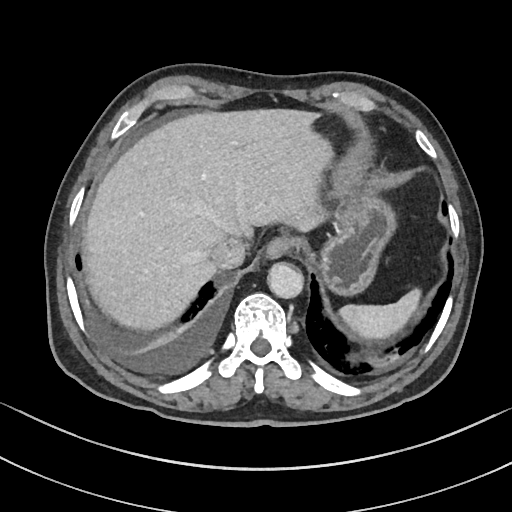
CT, abdomen/pelvis; axial view
Organ boxes in pixel coordinates; each row gives the top-left (x1, y1) and bottom-right (x2, y2) corners.
| organ | x1 | y1 | x2 | y2 |
|---|---|---|---|---|
| spleen | 339 | 290 | 421 | 339 |
| esophagus | 265 | 236 | 298 | 258 |
| inferior vena cava | 208 | 236 | 245 | 269 |
| liver | 84 | 107 | 333 | 327 |
| stomach | 320 | 195 | 394 | 297 |
| aorta | 267 | 262 | 302 | 297 |